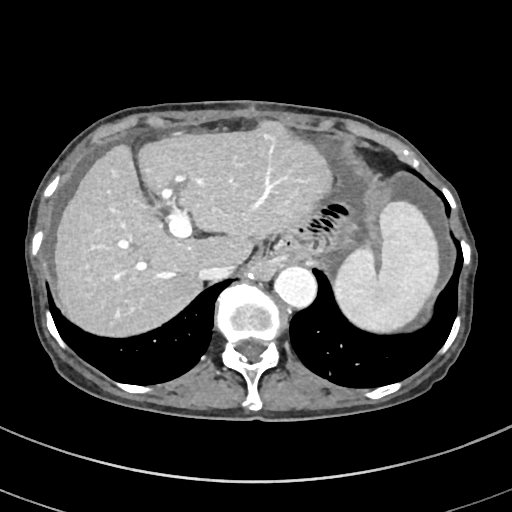 CT abdomen — axial view — soft-tissue window — scan has 14 labeled organs (counted over the whole 3D scan, not this slice; an organ is boxed only where this slice passes through it)
Organ boxes in pixel coordinates; each row gives the top-left (x1, y1) and bottom-right (x2, y2) corners.
| organ | x1 | y1 | x2 | y2 |
|---|---|---|---|---|
| inferior vena cava | 199 | 262 | 236 | 280 |
| liver | 54 | 120 | 334 | 338 |
| spleen | 332 | 199 | 441 | 335 |
| aorta | 273 | 265 | 315 | 307 |